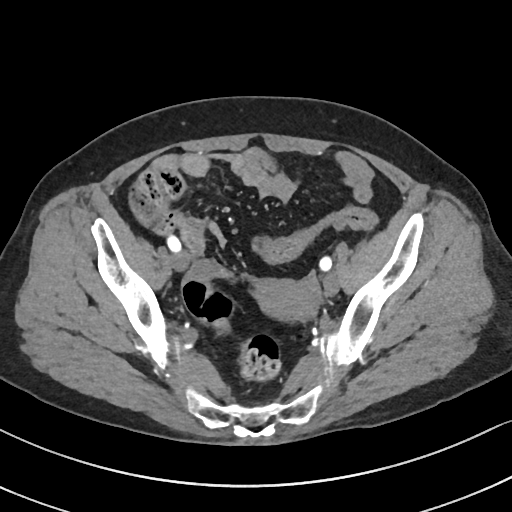

Abdominal CT. axial view. 512x512 px. acquired on SOMATOM Force. scan has 15 labeled organs (counted over the whole 3D scan, not this slice; an organ is boxed only where this slice passes through it)
Coordinates as <box>x1,y1,x2,y2</box> in pixels. Labeled organs on this slice: prostate/uterus at <box>254,279,319,320</box>.